CT abdomen · axial view · abdomen soft-tissue window · 62-year-old female patient
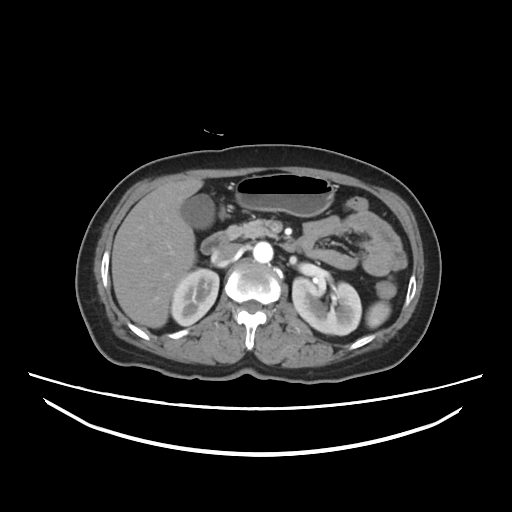

{"organs":{"spleen":[367,301,390,330],"right kidney":[171,268,219,326],"left kidney":[292,280,361,335],"gall bladder":[180,192,215,228],"liver":[112,179,203,328],"stomach":[232,171,336,216],"aorta":[253,241,273,263],"inferior vena cava":[211,243,241,264],"pancreas":[224,221,273,239],"duodenum":[201,231,317,253]}}